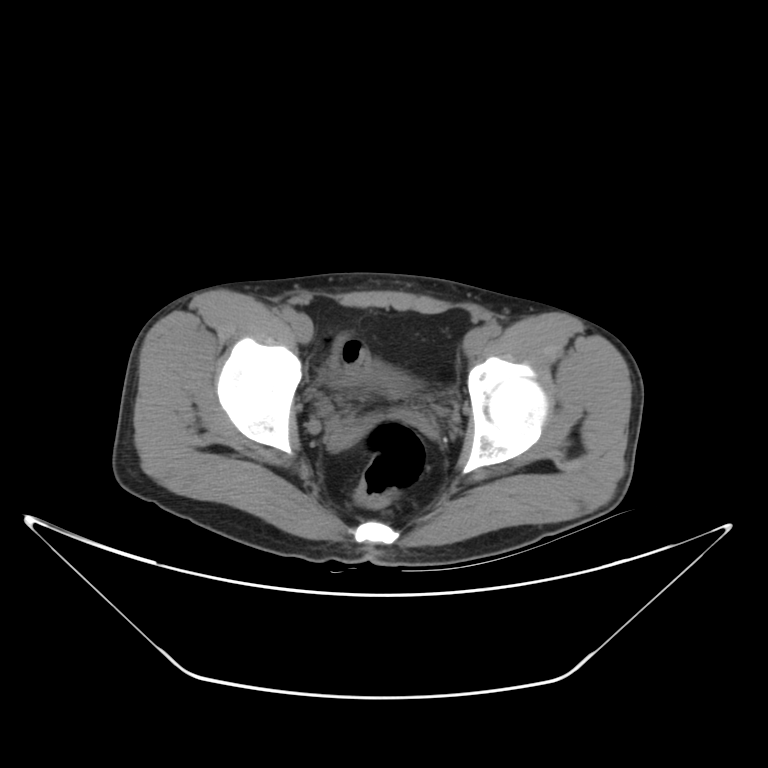

CT abdomen; axial view; W/L 400/40 HU; 768x768 px; acquired on Brilliance16
Organ boxes in pixel coordinates; each row gives the top-left (x1, y1) and bottom-right (x2, y2) corners.
| organ | x1 | y1 | x2 | y2 |
|---|---|---|---|---|
| bladder | 336 | 371 | 415 | 394 |